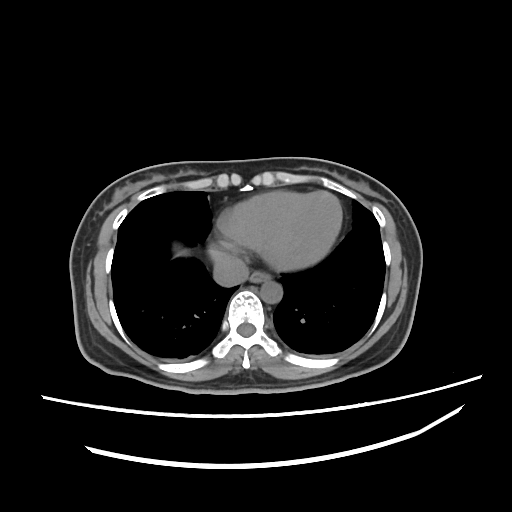
CT abdomen; Axial slice 91/93; 15 organs annotated in this scan (counted over the whole 3D scan, not this slice; an organ is boxed only where this slice passes through it)
Coordinates as <box>x1,y1,x2,y2</box> in pixels. Labeled organs on this slice: aorta at <box>260,280,281,302</box>, inferior vena cava at <box>214,252,248,285</box>, esophagus at <box>249,271,271,281</box>, liver at <box>324,190,325,191</box>.